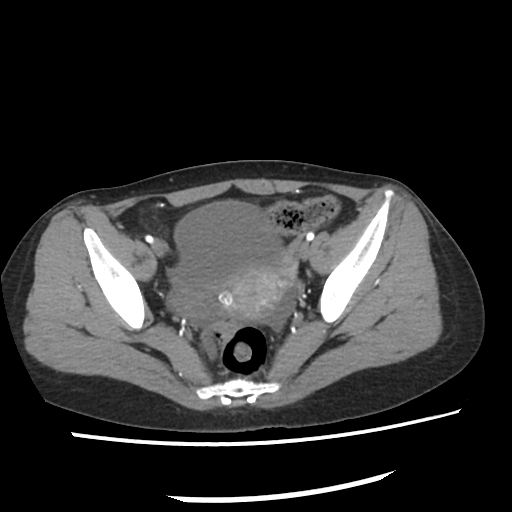

CT, abdomen/pelvis. axial view. soft-tissue window (W 400 / L 40). 512x512 px. 34-year-old female patient
{"organs":{"bladder":[175,201,282,294],"prostate/uterus":[231,267,294,316]}}